MRI, abdomen. axial view. percentile-normalized. 576x468 px
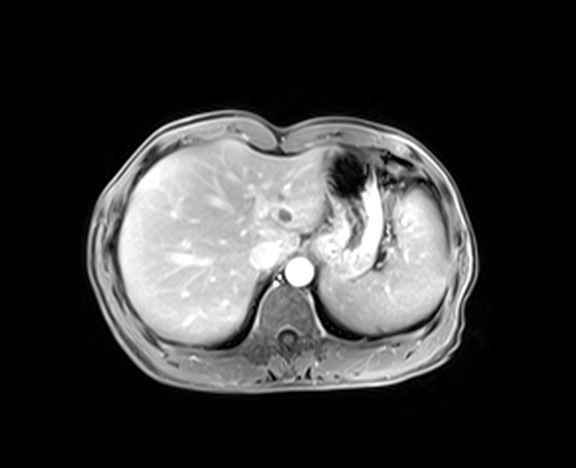
Boxes: x1:y1:x2:y2 in pixels.
Organ bounding boxes:
- spleen: 323:188:446:332
- liver: 118:140:329:343
- stomach: 311:148:383:281
- aorta: 285:259:313:286
- inferior vena cava: 250:241:278:272